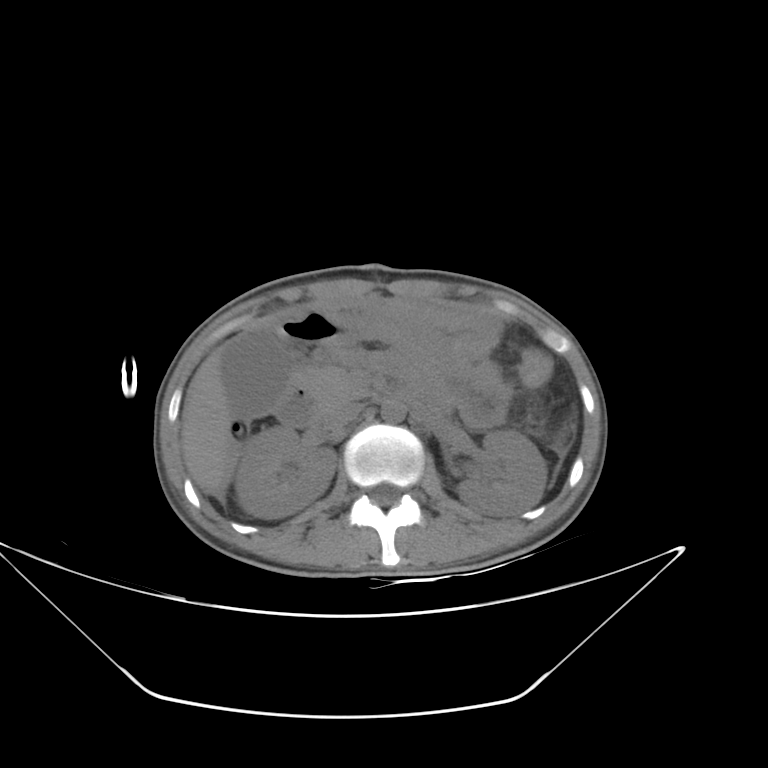
Computed tomography, abdomen; axial view; 768x768 px
Boxes: x1 y1 x2 y2 (pixel coords, space-separated).
right kidney: 235 426 337 518
left kidney: 456 430 547 516
liver: 181 346 232 495
aorta: 381 400 406 422
inferior vena cava: 322 402 363 430
pancreas: 299 373 346 406
duodenum: 275 381 321 427